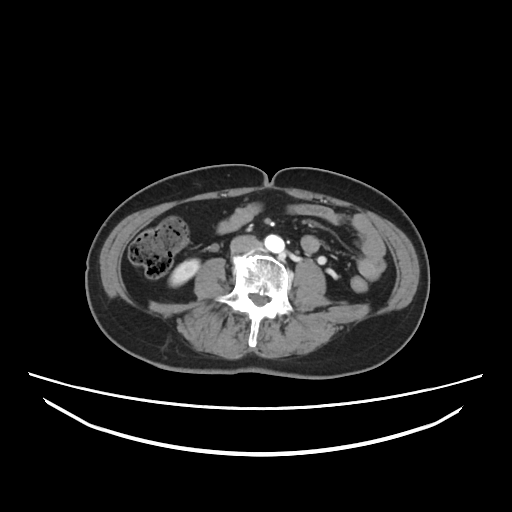 Computed tomography, abdomen; axial view; 512x512 px; 62-year-old female patient
<organs><organ name="right kidney" x1="169" y1="259" x2="200" y2="286"/><organ name="inferior vena cava" x1="230" y1="236" x2="261" y2="253"/><organ name="aorta" x1="264" y1="234" x2="284" y2="253"/></organs>